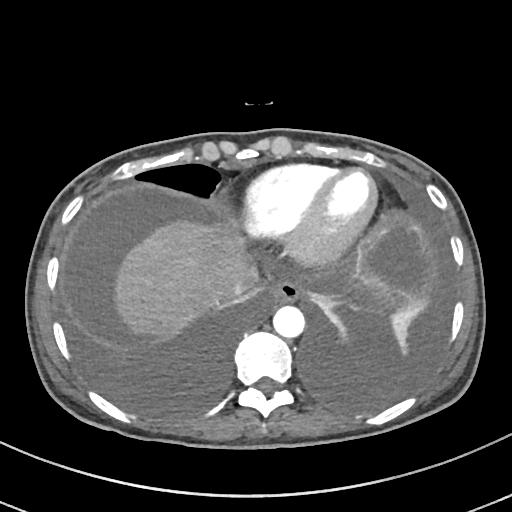 CT abdomen. axial plane, index 207. W/L 400/40 HU
Each box given as x1,y1,x2,y2.
esophagus: x1=269, y1=280, x2=301, y2=303
liver: x1=115, y1=223, x2=245, y2=335
aorta: x1=273, y1=306, x2=305, y2=338
inferior vena cava: x1=223, y1=265, x2=260, y2=302